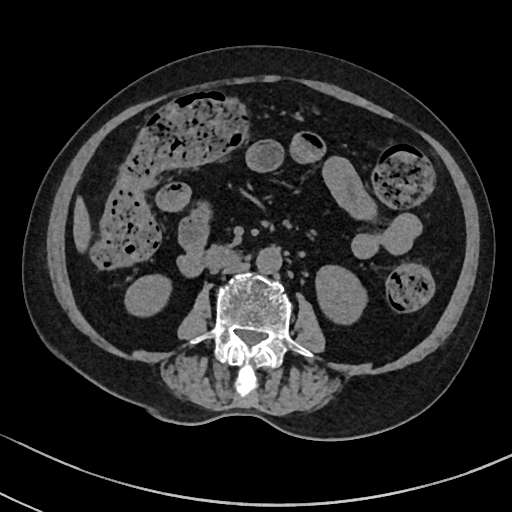 Abdominal CT — axial view
{"organs":{"duodenum":[204,245,238,267],"inferior vena cava":[222,261,249,273],"aorta":[256,247,282,273],"right kidney":[125,275,171,316],"left kidney":[316,265,367,324],"liver":[73,197,91,252]}}